CT, abdomen/pelvis — axial view — soft-tissue window — 512x512 px
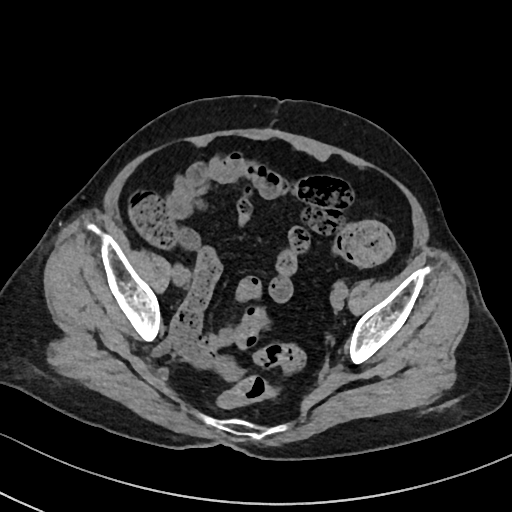 {"organs":{"prostate/uterus":[213,356,245,381]}}